CT, abdomen/pelvis — Axial slice 110/218
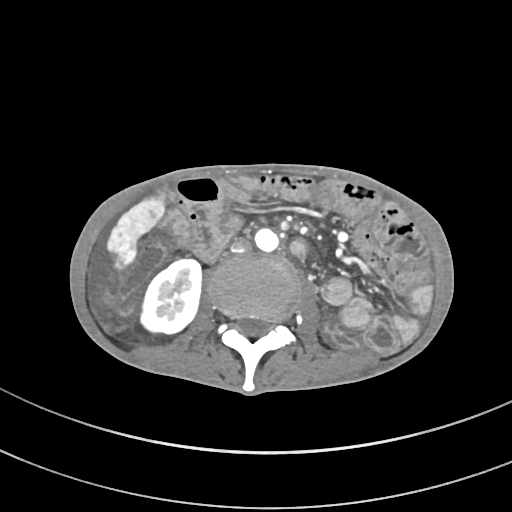

Boxes: x1:y1:x2:y2 in pixels. The annotated organs in this slice are: right kidney at 139:259:201:335, liver at 107:195:163:269, aorta at 255:228:279:251, inferior vena cava at 231:238:251:252.